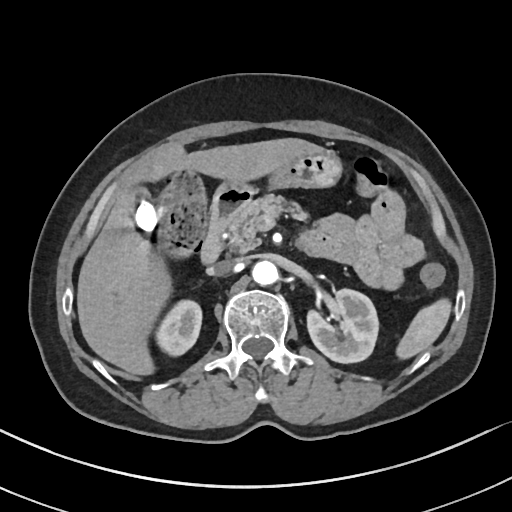
Abdominal CT — axial view — 512x512 px — scan has 15 labeled organs (a whole-scan count: organs this slice does not pass through have no box)
Each box given as x1,y1,x2,y2. The annotated organs in this slice are: liver at x1=77, y1=138, x2=323, y2=375, duodenum at x1=200, y1=188, x2=251, y2=263, left kidney at x1=307, y1=289, x2=378, y2=362, stomach at x1=217, y1=152, x2=341, y2=195, aorta at x1=251, y1=260, x2=278, y2=285, spleen at x1=396, y1=298, x2=451, y2=359, gall bladder at x1=130, y1=183, x2=156, y2=232, pancreas at x1=227, y1=194, x2=307, y2=252, right kidney at x1=155, y1=299, x2=201, y2=356, inferior vena cava at x1=209, y1=260, x2=236, y2=275.